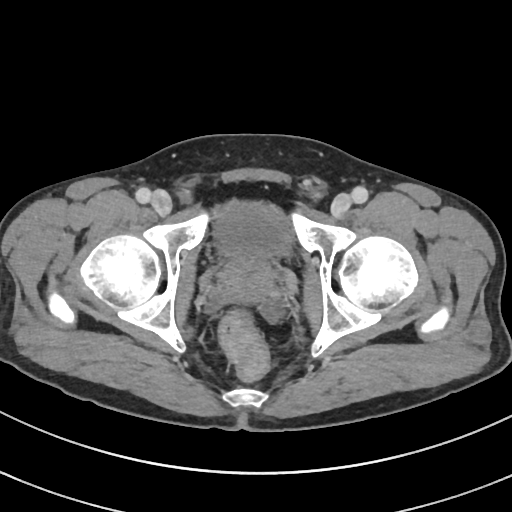

Abdominal CT. Axial slice 21/298
One row per box, in pixels: columns x1 and y1 give the top-left corner, x2 and y2 the bottom-right.
| organ | x1 | y1 | x2 | y2 |
|---|---|---|---|---|
| prostate/uterus | 220 | 258 | 274 | 291 |
| bladder | 210 | 202 | 291 | 261 |